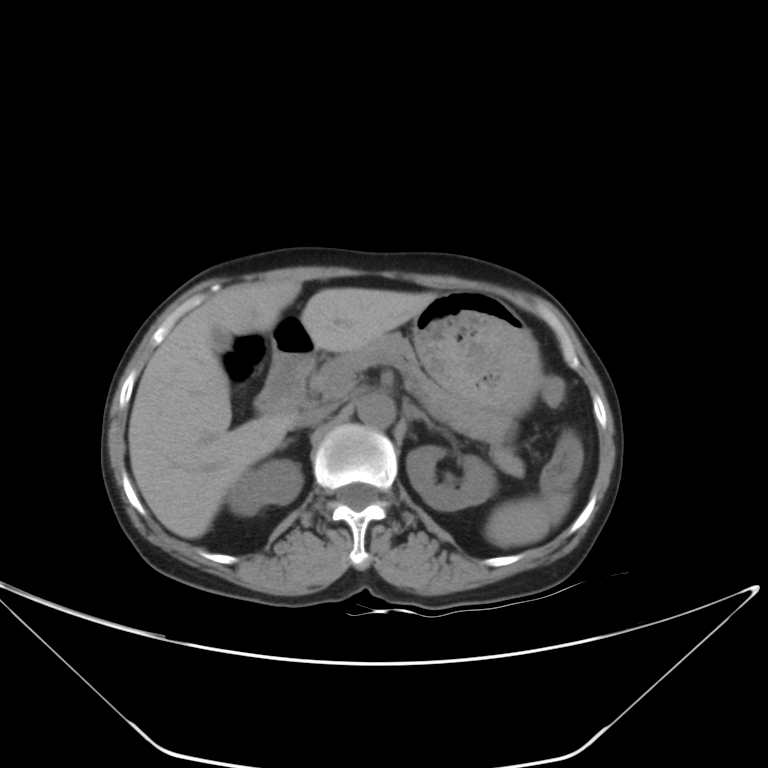

Computed tomography, abdomen; axial plane, index 62; 768x768 px; Brilliance16 scanner
{"organs":{"spleen":[486,493,572,546],"right kidney":[227,459,302,516],"left kidney":[407,446,497,511],"gall bladder":[208,325,231,352],"liver":[128,280,436,538],"stomach":[273,291,540,419],"aorta":[357,393,395,427],"inferior vena cava":[291,405,334,427],"pancreas":[309,332,524,476],"right adrenal gland":[278,439,292,449],"left adrenal gland":[406,405,436,429],"duodenum":[255,351,314,414]}}